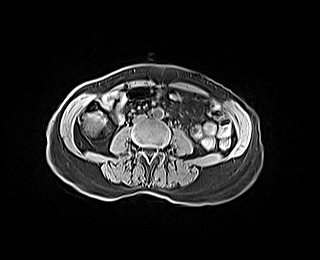
MRI, abdomen; axial plane, index 13; 320x260 px; scan has 13 labeled organs (counted over the whole 3D scan, not this slice; an organ is boxed only where this slice passes through it)
<organs><organ name="inferior vena cava" x1="134" y1="114" x2="145" y2="121"/><organ name="aorta" x1="152" y1="108" x2="163" y2="118"/></organs>